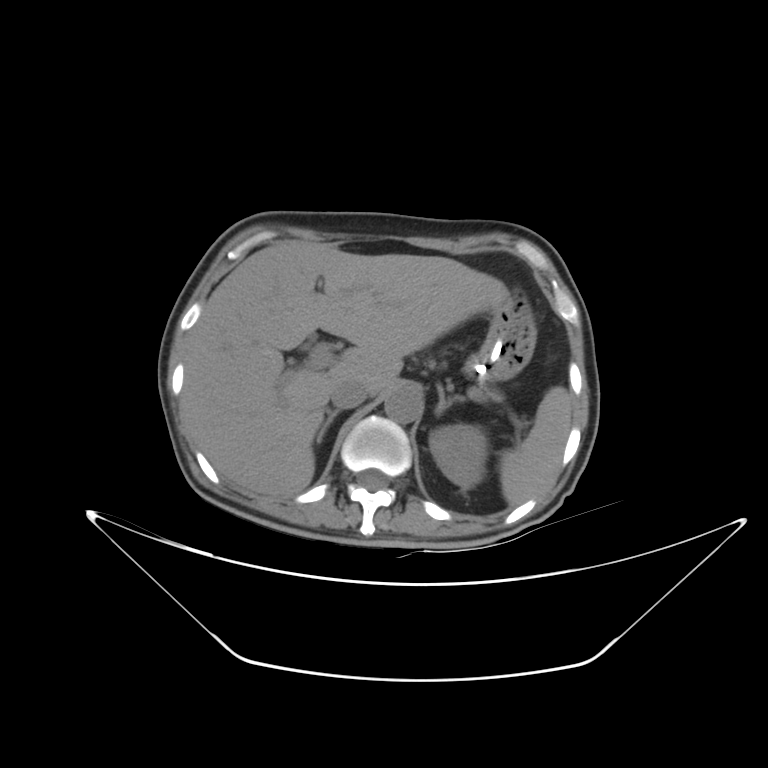 CT abdomen — axial view
Each box given as x1,y1,x2,y2. Labeled organs on this slice: spleen at x1=499, y1=386, x2=571, y2=506, left kidney at x1=429, y1=424, x2=487, y2=487, liver at x1=181, y1=239, x2=507, y2=497, stomach at x1=465, y1=291, x2=536, y2=382, aorta at x1=384, y1=387, x2=422, y2=423, inferior vena cava at x1=329, y1=378, x2=368, y2=408, right adrenal gland at x1=316, y1=410, x2=339, y2=443, left adrenal gland at x1=434, y1=388, x2=464, y2=415.